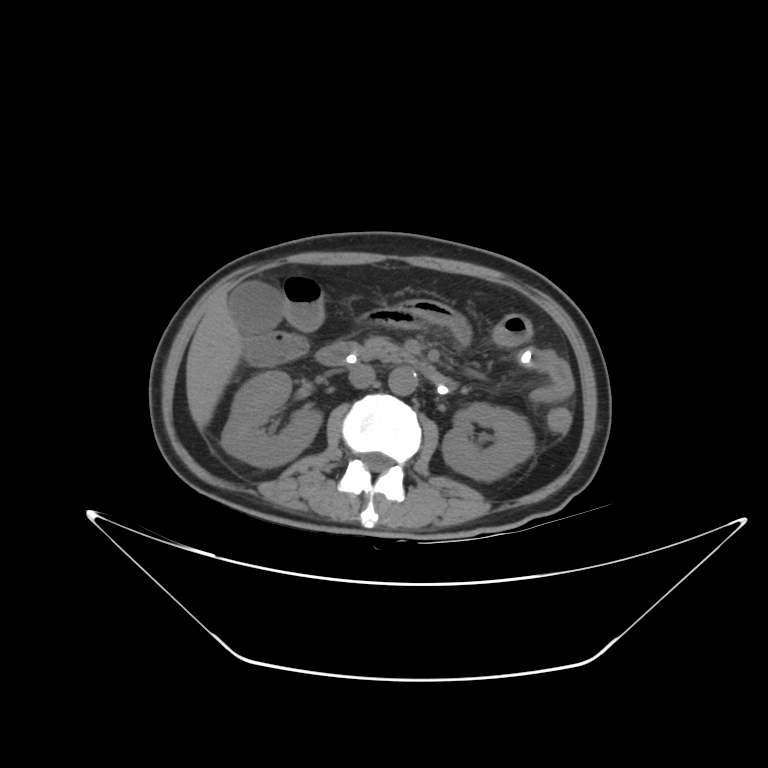

CT abdomen; Axial slice 61/101; 768x768 px; 55-year-old male patient
One row per box, in pixels: columns x1 and y1 give the top-left corner, x2 and y2 the bottom-right.
| organ | x1 | y1 | x2 | y2 |
|---|---|---|---|---|
| liver | 186 | 299 | 242 | 428 |
| pancreas | 353 | 336 | 420 | 364 |
| gall bladder | 229 | 283 | 281 | 332 |
| duodenum | 315 | 342 | 455 | 395 |
| aorta | 389 | 367 | 417 | 395 |
| left kidney | 442 | 403 | 534 | 481 |
| inferior vena cava | 348 | 364 | 375 | 388 |
| right kidney | 221 | 370 | 321 | 467 |